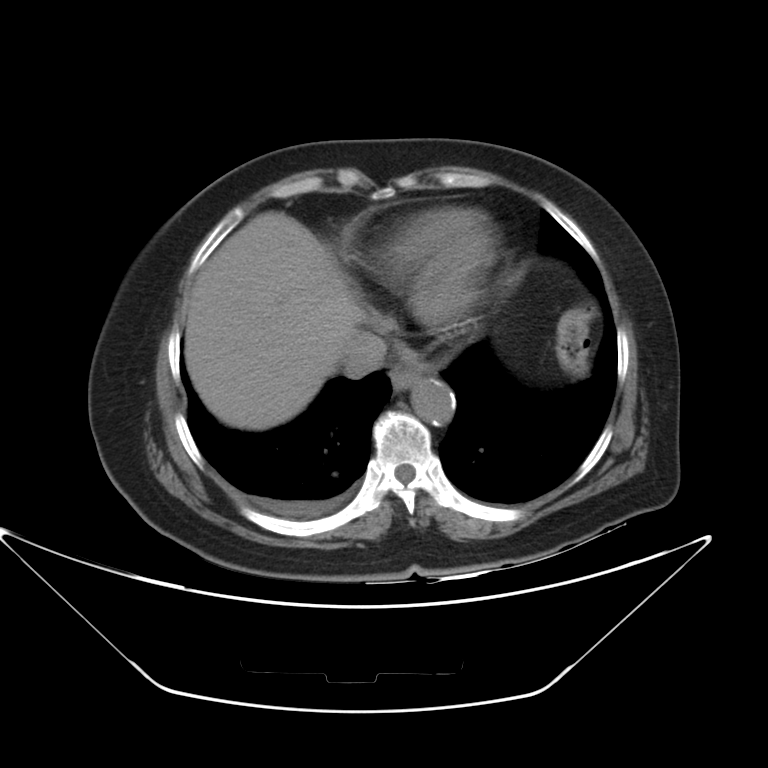
Abdominal CT; axial view; soft-tissue window; 768x768 px; scan has 15 labeled organs (a whole-scan count: organs this slice does not pass through have no box)
Boxes: x1 y1 x2 y2 (pixel coords, space-separated). The annotated organs in this slice are: esophagus at 389 364 422 390, liver at 185 212 363 429, aorta at 411 379 454 425, inferior vena cava at 342 330 387 378.